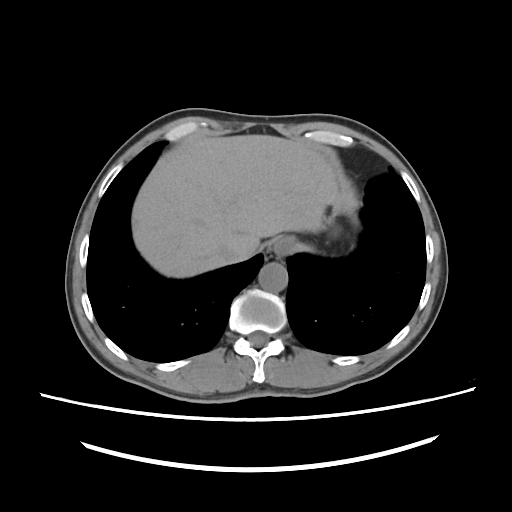

Abdominal CT; axial plane, index 78; 55-year-old male patient; Aquilion ONE scanner; scan has 15 labeled organs (a whole-scan count: organs this slice does not pass through have no box)
Boxes: x1:y1:x2:y2 in pixels.
Organ bounding boxes:
- liver: 132:135:337:277
- esophagus: 272:236:296:258
- aorta: 258:263:288:291
- inferior vena cava: 211:240:238:264